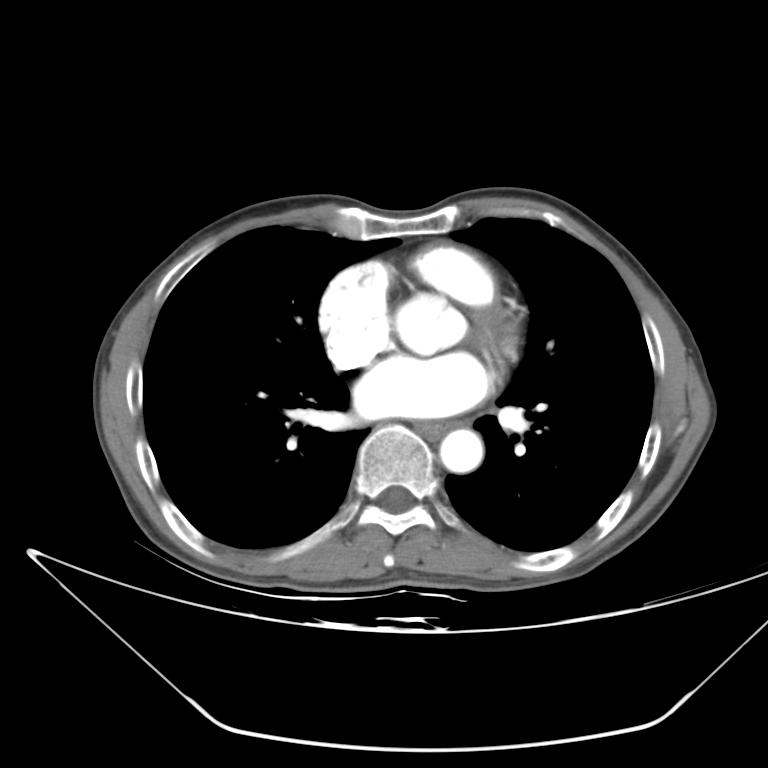
Abdominal CT; this slice is in the lower chest, just above the liver · axial view · soft-tissue window (W 400 / L 40) · 62-year-old male patient · scan has 13 labeled organs (counted over the whole 3D scan, not this slice; an organ is boxed only where this slice passes through it)
No part of the heart or lungs is labeled in this dataset, so neither has a box here. Each box given as x1,y1,x2,y2. 2 labeled organs on this slice — esophagus at x1=414, y1=421, x2=450, y2=437; aorta at x1=440, y1=429, x2=483, y2=472.